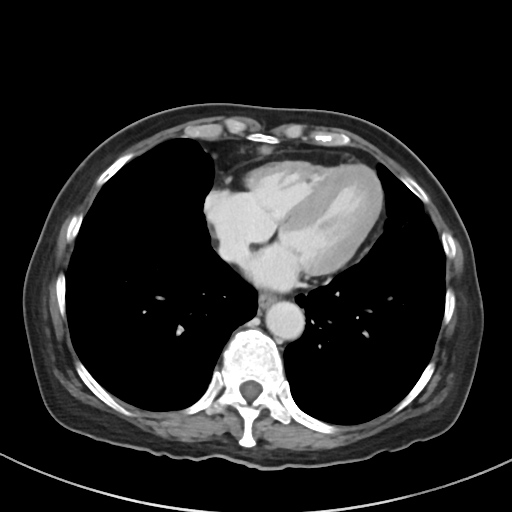 CT of the abdomen reaching into the lower chest, slice just above the liver and spleen; Axial slice 75/78; soft-tissue window; 512x512 px
No part of the heart or lungs is labeled in this dataset, so neither has a box here.
{"organs":{"esophagus":[258,293,275,309],"aorta":[265,301,304,339],"inferior vena cava":[219,240,249,263]}}